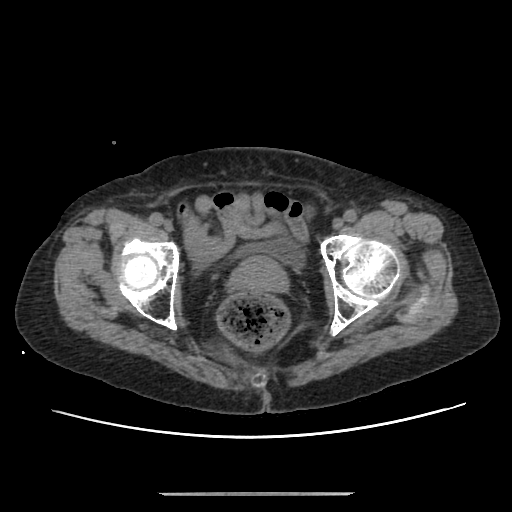
CT abdomen; Axial slice 61/353; SOMATOM Force scanner; scan has 14 labeled organs (that count is for the whole scan; organs this slice misses have no box)
Boxes: x1 y1 x2 y2 (pixel coords, space-separated).
bladder: 238 241 302 269
prostate/uterus: 231 255 288 292